CT, abdomen/pelvis · axial view · soft-tissue window (W 400 / L 40) · 512x512 px · 15 organs annotated in this scan (counted over the whole 3D scan, not this slice; an organ is boxed only where this slice passes through it)
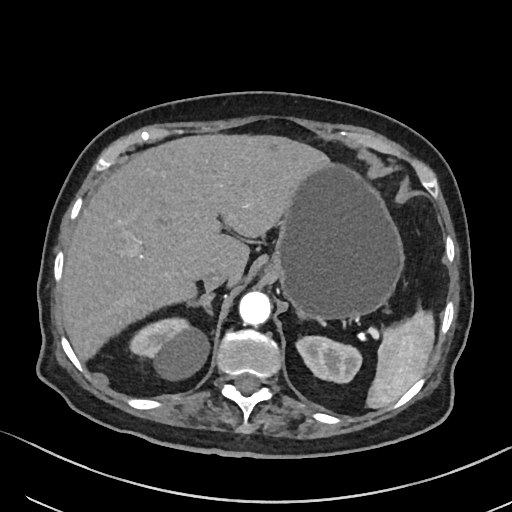 Boxes are (x1, y1, x2, y2) in pixels.
Organ bounding boxes:
- right kidney: (129, 317, 209, 380)
- spleen: (366, 309, 434, 408)
- liver: (62, 134, 328, 360)
- left kidney: (296, 336, 361, 382)
- right adrenal gland: (188, 292, 215, 315)
- aorta: (239, 291, 271, 325)
- inferior vena cava: (202, 266, 229, 291)
- stomach: (266, 162, 404, 320)